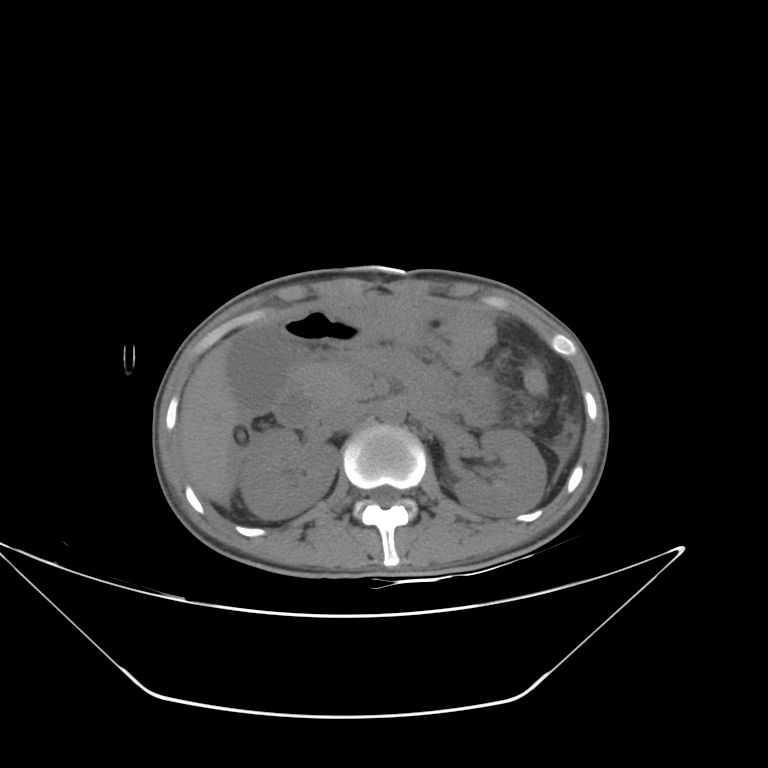 CT, abdomen/pelvis — axial view — 24-year-old male patient — acquired on Brilliance16 — 15 organs annotated in this scan (that count is for the whole scan; organs this slice misses have no box)
Bounding boxes in pixels, one row per box: x1, y1 is the top-left corner and x2, y2 the bottom-right.
| organ | x1 | y1 | x2 | y2 |
|---|---|---|---|---|
| spleen | 563 | 453 | 567 | 458 |
| right kidney | 239 | 428 | 339 | 519 |
| left kidney | 452 | 429 | 546 | 516 |
| liver | 179 | 337 | 238 | 504 |
| aorta | 379 | 401 | 405 | 425 |
| inferior vena cava | 321 | 402 | 366 | 432 |
| pancreas | 289 | 363 | 381 | 404 |
| duodenum | 274 | 381 | 321 | 427 |